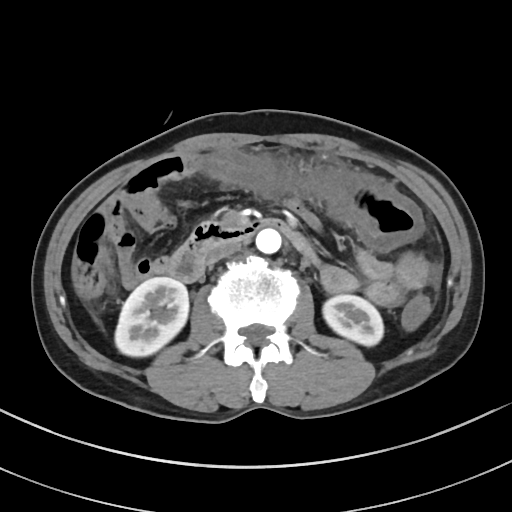

CT abdomen — axial plane, index 53 — soft-tissue window (W 400 / L 40) — scan has 15 labeled organs (counted over the whole 3D scan, not this slice; an organ is boxed only where this slice passes through it)
Each box given as x1,y1,x2,y2.
right kidney: x1=115, y1=277, x2=188, y2=356
left kidney: x1=323, y1=294, x2=383, y2=346
aorta: x1=255, y1=229, x2=281, y2=253
duodenum: x1=165, y1=219, x2=314, y2=282
inferior vena cava: x1=207, y1=243, x2=240, y2=264